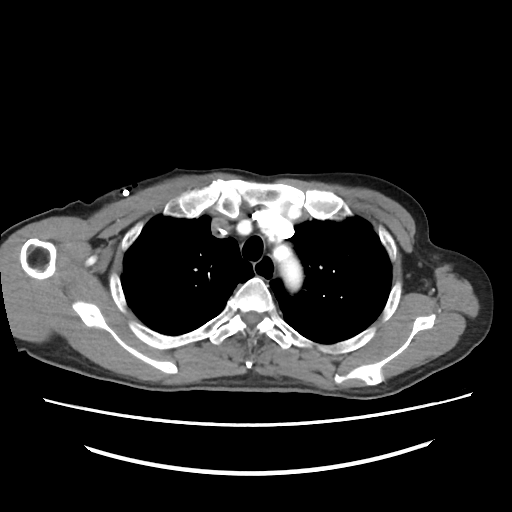 CT of the abdomen extending into the chest, slice through the chest — axial plane, index 121 — 61-year-old male patient — scan has 14 labeled organs (that count is for the whole scan; organs this slice misses have no box)
At this level of the chest this dataset labels only the esophagus and the aorta, and each is boxed only where it is labeled; the heart and lungs are never labeled. Boxes are (x1, y1, x2, y2) in pixels. 2 labeled organs on this slice — esophagus at (253, 255, 276, 281); aorta at (273, 246, 301, 289).